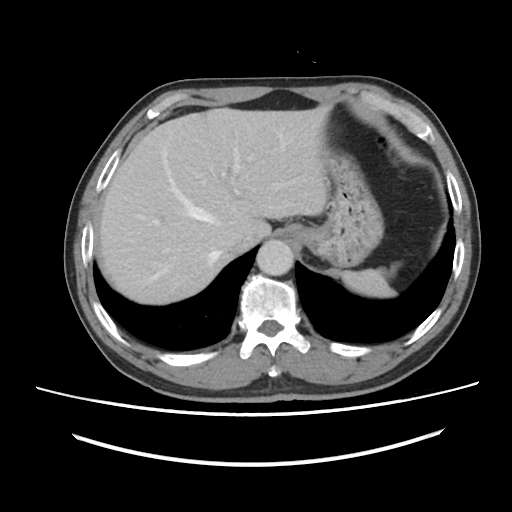

CT abdomen · axial view · 512x512 px · 58-year-old male patient
Bounding boxes in pixels, one row per box: x1, y1 is the top-left corner and x2, y2 the bottom-right.
| organ | x1 | y1 | x2 | y2 |
|---|---|---|---|---|
| stomach | 288 | 153 | 383 | 267 |
| inferior vena cava | 231 | 232 | 260 | 252 |
| spleen | 340 | 265 | 396 | 297 |
| liver | 98 | 106 | 329 | 304 |
| aorta | 256 | 240 | 293 | 275 |